CT abdomen. axial view. 768x768 px. 15 organs annotated in this scan (that count is for the whole scan; organs this slice misses have no box)
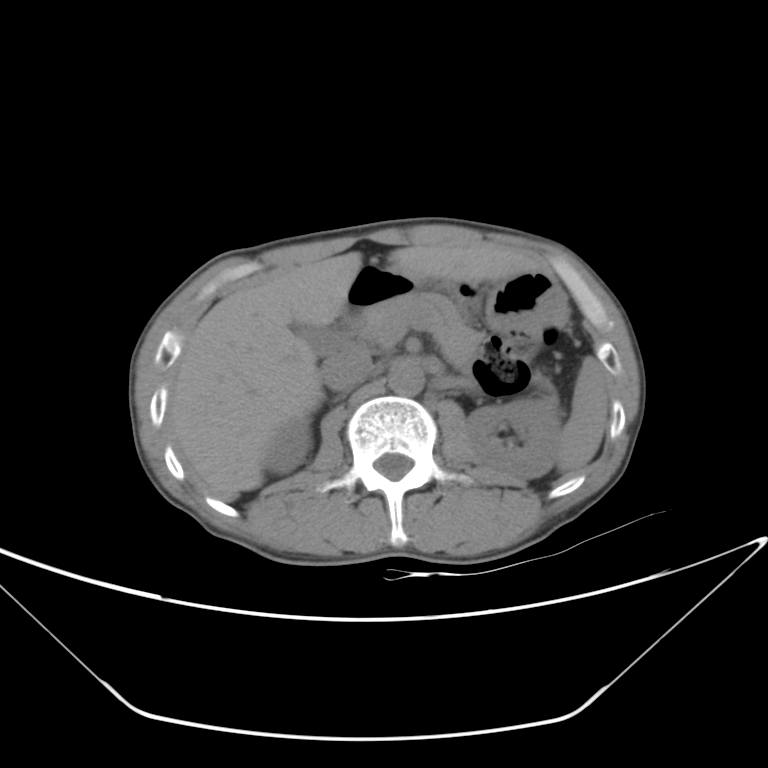

One row per box, in pixels: columns x1 and y1 give the top-left corner, x2 and y2 the bottom-right.
| organ | x1 | y1 | x2 | y2 |
|---|---|---|---|---|
| gall bladder | 292 | 323 | 336 | 357 |
| aorta | 388 | 360 | 424 | 395 |
| duodenum | 328 | 288 | 368 | 353 |
| liver | 166 | 243 | 539 | 501 |
| spleen | 557 | 357 | 608 | 473 |
| left kidney | 465 | 399 | 561 | 479 |
| inferior vena cava | 322 | 351 | 375 | 391 |
| stomach | 351 | 266 | 568 | 336 |
| pancreas | 357 | 293 | 555 | 398 |
| right kidney | 265 | 419 | 311 | 473 |